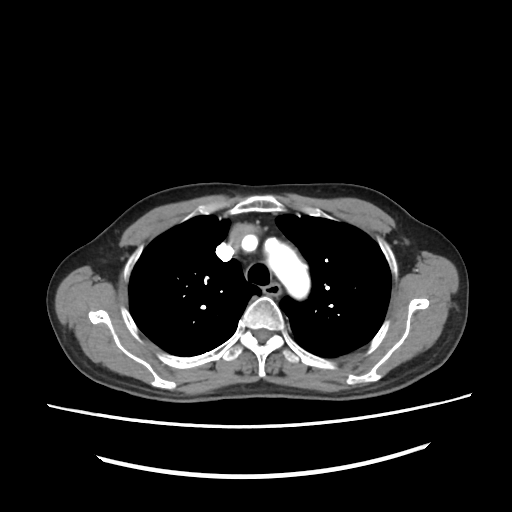

Chest-level slice from an abdominal CT that extends up into the chest. Axial slice 117/132. scan has 15 labeled organs (counted over the whole 3D scan, not this slice; an organ is boxed only where this slice passes through it)
On a slice this high in the chest, this dataset labels only the esophagus and the aorta, and each is boxed only where it is labeled; the heart, lungs and other chest structures are not labeled.
{"organs":{"aorta":[265,242,311,303],"esophagus":[265,284,281,296]}}